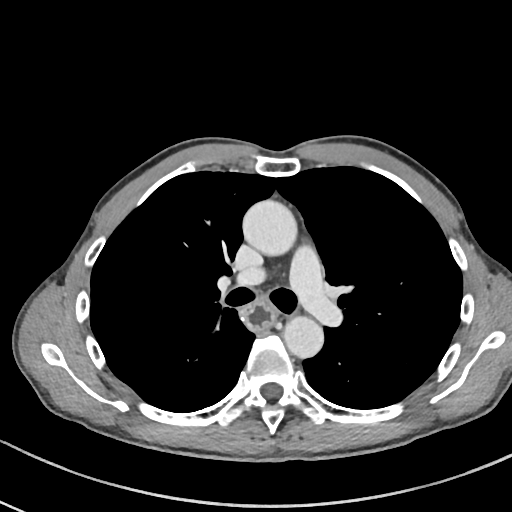 Chest-level CT slice, above the liver and spleen · axial view · 512x512 px · 15 organs annotated in this scan (a whole-scan count: organs this slice does not pass through have no box)
At this level of the chest no structure but the esophagus and the aorta has a label in this dataset, and those two are boxed only where they are labeled.
{"organs":{"aorta":[[243,200,297,257],[282,315,324,358]],"esophagus":[239,299,274,329]}}